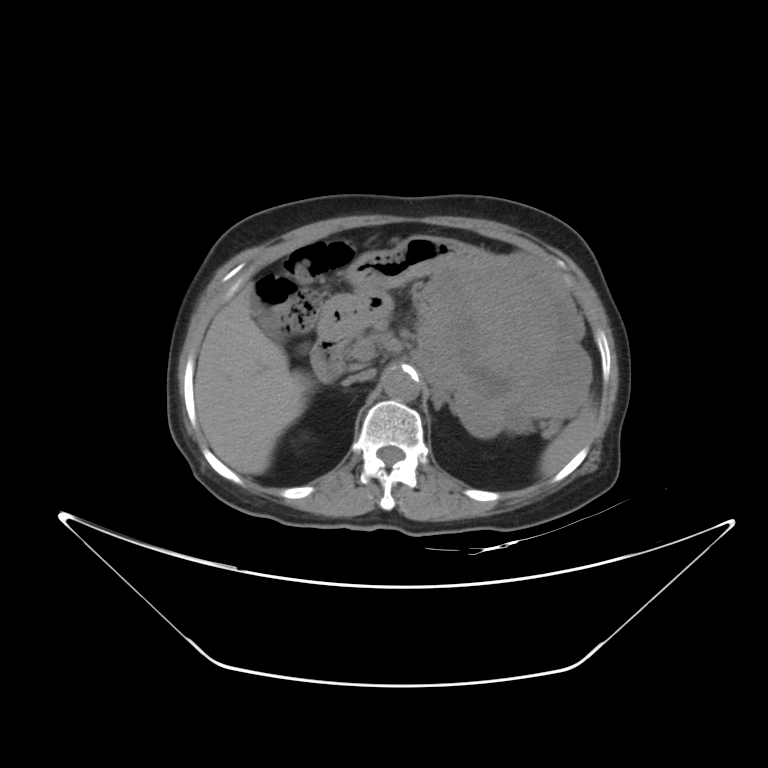
Computed tomography, abdomen — axial plane, index 67 — soft-tissue window — Brilliance16 scanner
{"organs":{"gall bladder":[250,296,282,339],"spleen":[542,408,597,476],"duodenum":[310,335,347,382],"left adrenal gland":[434,394,443,409],"aorta":[382,366,420,401],"pancreas":[547,421,556,429],"liver":[194,284,310,474],"inferior vena cava":[343,368,375,385],"stomach":[319,235,591,433]}}